Lower-chest slice from an abdominal CT, just above the liver and spleen · axial plane, index 77 · soft-tissue window
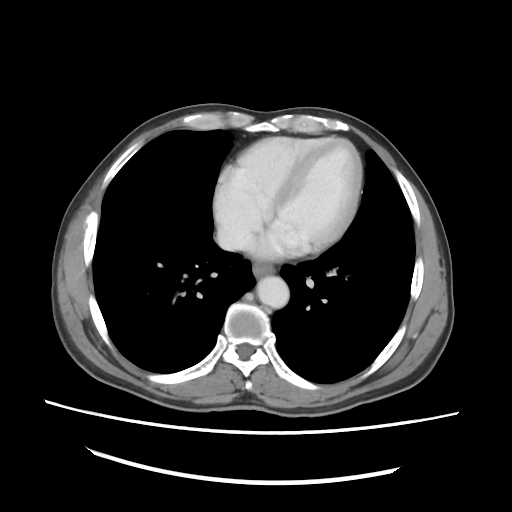 No part of the heart or lungs is labeled in this dataset, so neither has a box here.
Box edges are left/top/right/bottom in pixels.
Organ bounding boxes:
- esophagus: left=252, top=263, right=273, bottom=277
- aorta: left=256, top=276, right=289, bottom=308
- inferior vena cava: left=217, top=225, right=248, bottom=250